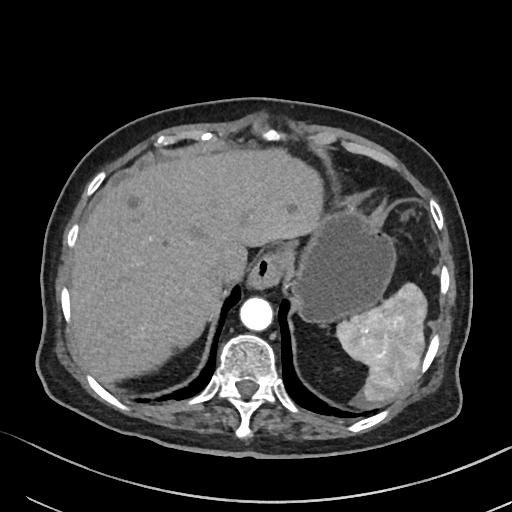
CT, abdomen/pelvis · axial plane, index 194 · acquired on SOMATOM Force · 15 organs annotated in this scan (that count is for the whole scan; organs this slice misses have no box)
Boxes: x1:y1:x2:y2 in pixels.
Organ bounding boxes:
- esophagus: 249:252:281:287
- inferior vena cava: 209:261:242:285
- aorta: 239:297:272:330
- liver: 69:148:321:381
- stomach: 290:210:395:324
- right adrenal gland: 178:338:194:348
- spleen: 337:284:428:407